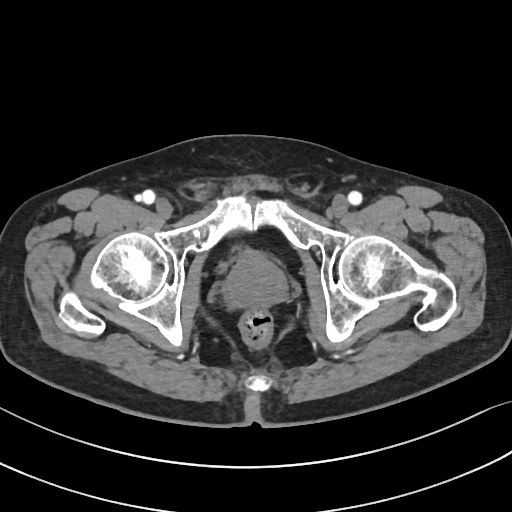
CT abdomen — axial view — soft-tissue window
{"organs":{"prostate/uterus":[223,253,286,307]}}